Lower-chest slice from an abdominal CT, just above the liver and spleen — axial view — soft-tissue window
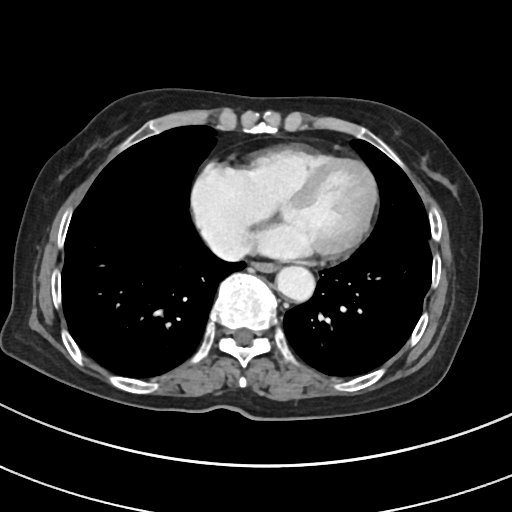

The heart and lungs are never labeled in this dataset, so they have no box on this slice.
Bounding boxes in pixels, one row per box: x1, y1 is the top-left corner and x2, y2 the bottom-right.
| organ | x1 | y1 | x2 | y2 |
|---|---|---|---|---|
| aorta | 276 | 266 | 315 | 302 |
| inferior vena cava | 220 | 244 | 237 | 255 |
| esophagus | 255 | 264 | 278 | 273 |